CT, abdomen/pelvis; axial plane, index 295
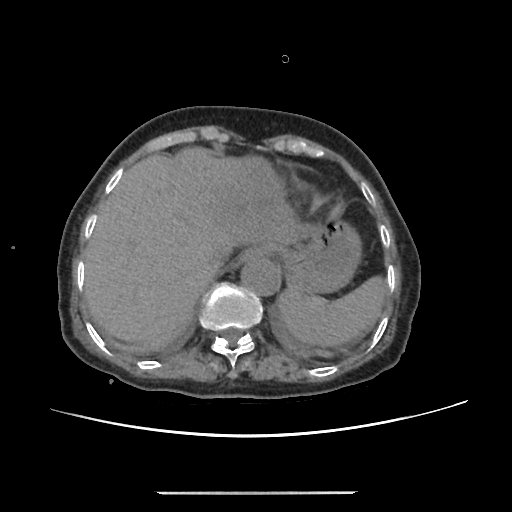 Bounding boxes as [x1, y1, x2, y2] in pixel coordinates.
Organ bounding boxes:
- spleen: [278, 274, 387, 346]
- esophagus: [240, 247, 265, 262]
- liver: [83, 147, 312, 344]
- stomach: [264, 219, 361, 293]
- aorta: [240, 257, 280, 295]
- inferior vena cava: [205, 244, 232, 273]